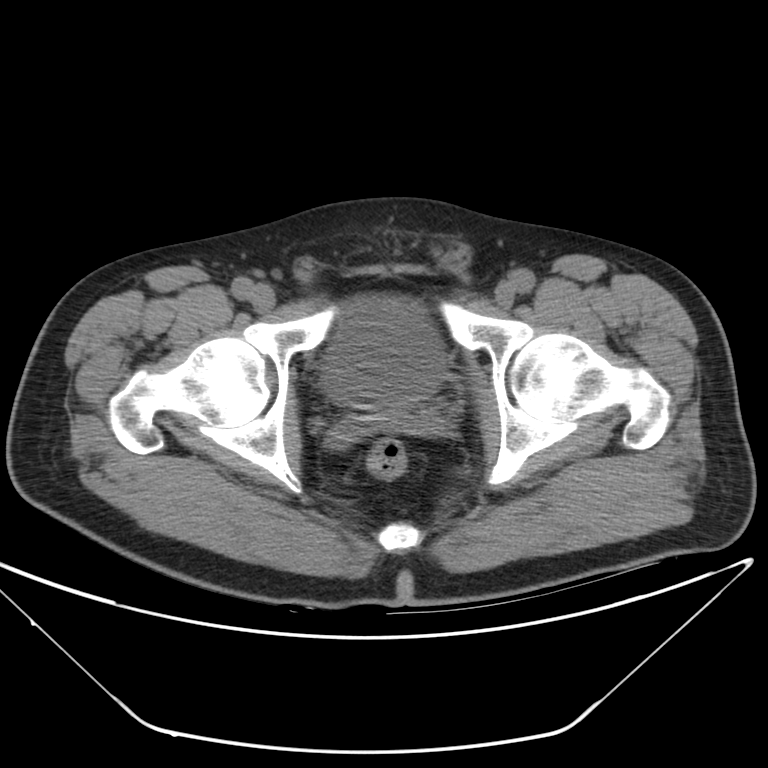
Computed tomography, abdomen · Axial slice 19/112 · 45-year-old male patient
<organs><organ name="bladder" x1="324" y1="300" x2="440" y2="404"/></organs>